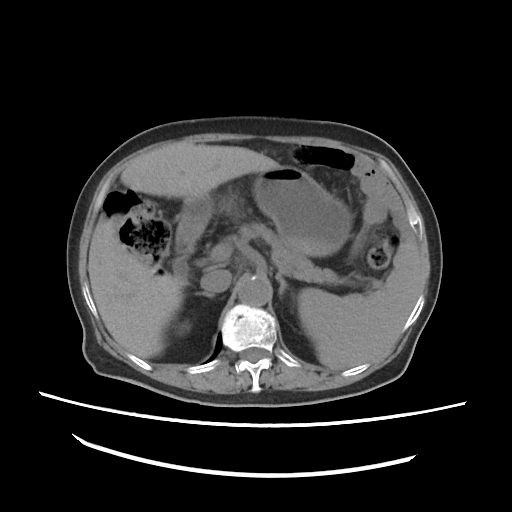
Computed tomography, abdomen; axial view; abdomen soft-tissue window; 512x512 px; 75-year-old female patient
Bounding boxes in pixels, one row per box: x1, y1 is the top-left corner and x2, y2 the bottom-right.
| organ | x1 | y1 | x2 | y2 |
|---|---|---|---|---|
| spleen | 299 | 243 | 422 | 370 |
| right kidney | 176 | 319 | 192 | 335 |
| liver | 88 | 143 | 277 | 356 |
| stomach | 174 | 165 | 353 | 279 |
| aorta | 236 | 275 | 272 | 305 |
| inferior vena cava | 201 | 269 | 231 | 291 |
| pancreas | 237 | 221 | 342 | 283 |
| right adrenal gland | 197 | 292 | 213 | 297 |
| left adrenal gland | 276 | 273 | 288 | 295 |
| duodenum | 173 | 242 | 197 | 278 |